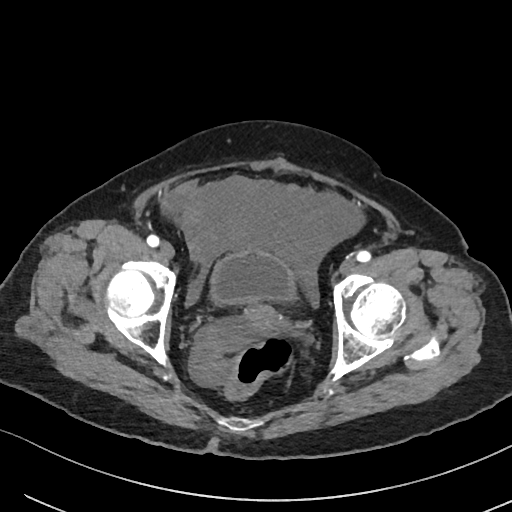
Abdominal CT. axial view
Each box given as x1,y1,x2,y2.
Organ bounding boxes:
- bladder: x1=208, y1=251, x2=295, y2=304
- prostate/uterus: x1=232, y1=304, x2=285, y2=347